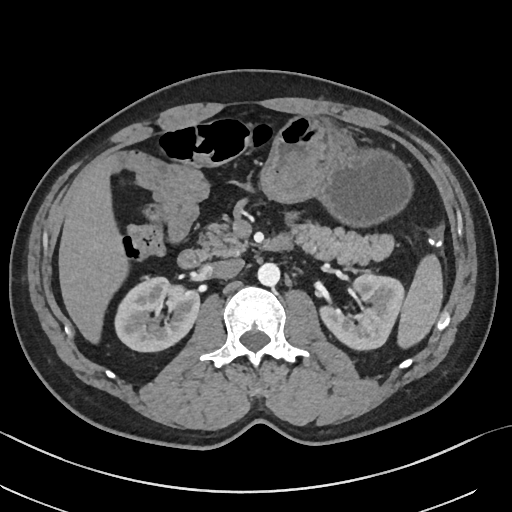

Computed tomography, abdomen — Axial slice 148/307 — W/L 400/40 HU — 512x512 px
<organs><organ name="duodenum" x1="178" y1="246" x2="210" y2="267"/><organ name="aorta" x1="257" y1="263" x2="279" y2="286"/><organ name="spleen" x1="396" y1="255" x2="443" y2="348"/><organ name="liver" x1="58" y1="153" x2="128" y2="345"/><organ name="right kidney" x1="115" y1="278" x2="200" y2="352"/><organ name="pancreas" x1="198" y1="220" x2="395" y2="265"/><organ name="stomach" x1="258" y1="116" x2="410" y2="224"/><organ name="inferior vena cava" x1="210" y1="258" x2="244" y2="278"/><organ name="left kidney" x1="319" y1="275" x2="402" y2="350"/></organs>